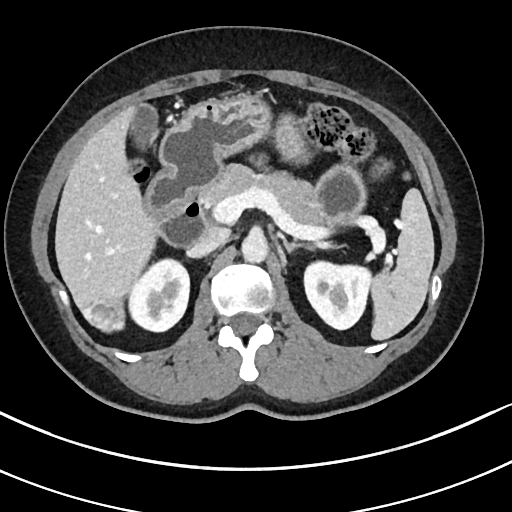
CT, abdomen/pelvis. Axial slice 149/206. 512x512 px
{"organs":{"spleen":[371,189,434,340],"right kidney":[128,259,189,331],"left kidney":[303,261,370,328],"gall bladder":[131,103,159,148],"liver":[55,104,156,333],"stomach":[160,96,363,226],"aorta":[242,233,269,263],"inferior vena cava":[186,227,227,257],"pancreas":[200,163,319,226],"left adrenal gland":[282,237,313,254],"duodenum":[146,169,207,245]}}